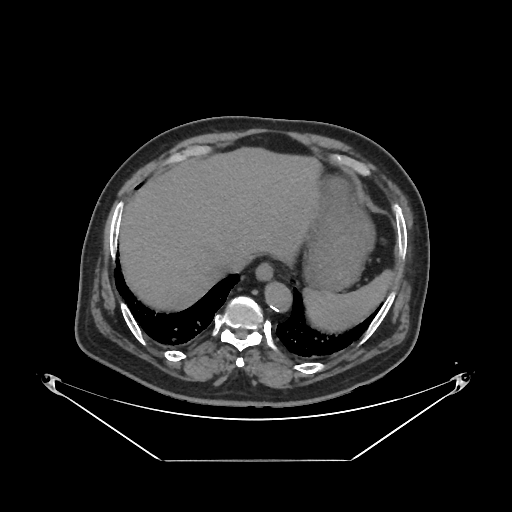
CT abdomen. Axial slice 307/353. scan has 15 labeled organs (a whole-scan count: organs this slice does not pass through have no box)
Boxes are (x1, y1, x2, y2) in pixels.
Organ bounding boxes:
- spleen: (304, 269, 393, 331)
- esophagus: (255, 263, 273, 280)
- liver: (119, 147, 321, 310)
- stomach: (303, 177, 374, 291)
- aorta: (264, 281, 291, 311)
- inferior vena cava: (221, 253, 249, 272)